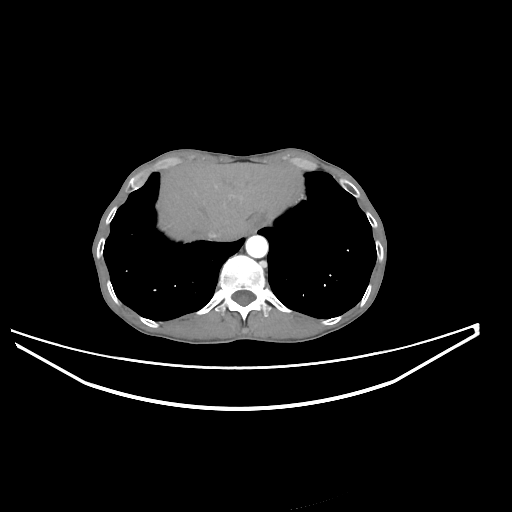
CT abdomen — axial plane, index 74 — soft-tissue window (W 400 / L 40) — acquired on Aquilion ONE
{"organs":{"esophagus":[247,216,261,232],"liver":[156,163,288,241],"aorta":[245,235,268,258],"inferior vena cava":[206,225,226,240]}}